CT abdomen; Axial slice 59/100; W/L 400/40 HU; 71-year-old female patient
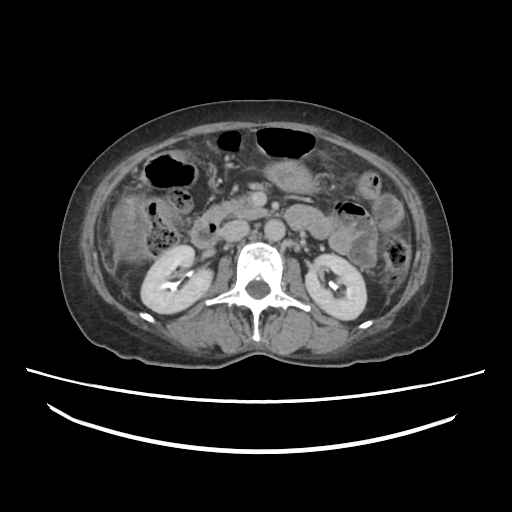
{"organs":{"right kidney":[140,246,213,314],"left kidney":[306,254,367,320],"liver":[109,194,139,258],"stomach":[264,159,317,193],"aorta":[264,219,284,241],"inferior vena cava":[220,219,250,241],"pancreas":[218,192,267,219],"duodenum":[189,208,219,245]}}